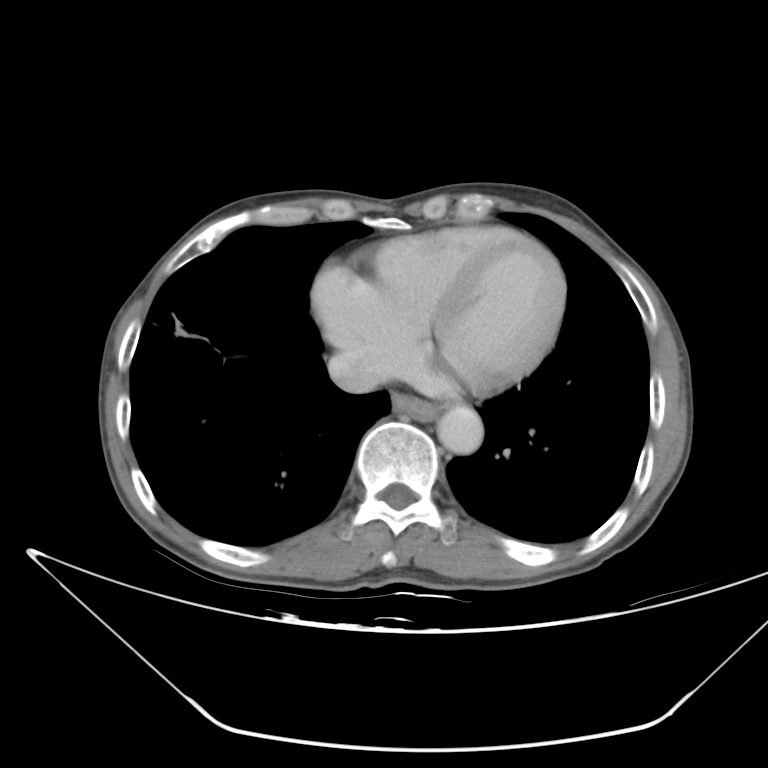

Lower-chest slice from an abdominal CT, just above the liver and spleen — axial view — 768x768 px — acquired on Brilliance16
Of the structures in the chest, this dataset labels only the esophagus, the aorta and the inferior vena cava; the heart and lungs have no label.
Each box given as x1,y1,x2,y2.
Organ bounding boxes:
- aorta: x1=436, y1=406, x2=482, y2=452
- esophagus: x1=392, y1=394, x2=437, y2=419
- inferior vena cava: x1=330, y1=355, x2=376, y2=393